CT of the abdomen reaching into the lower chest, slice just above the liver and spleen — axial plane, index 345
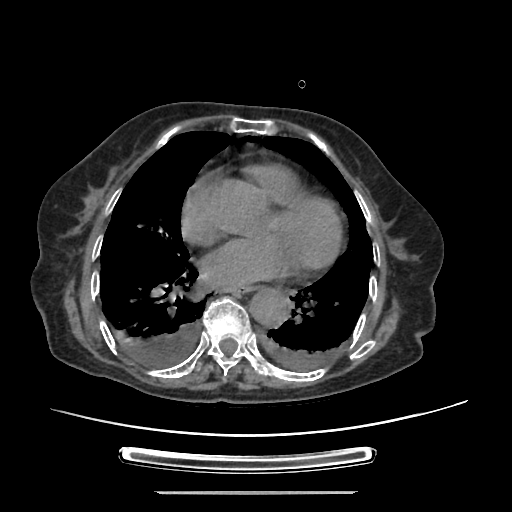
No part of the heart or lungs is labeled in this dataset, so neither has a box here.
Boxes: x1 y1 x2 y2 (pixel coords, space-separated).
Organ bounding boxes:
- esophagus: 224 287 248 295
- aorta: 249 288 287 327